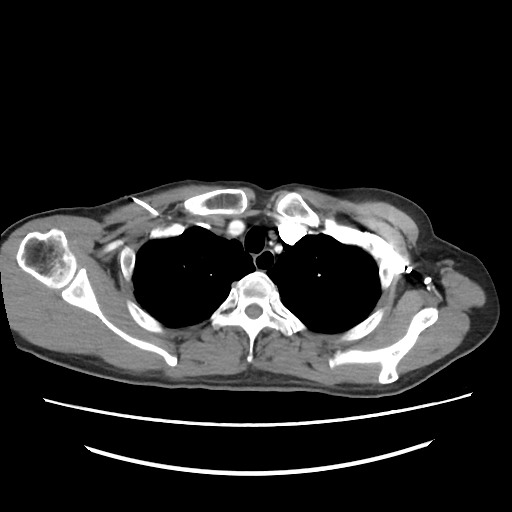

Abdominal CT reaching into the chest; this slice is in the chest · Axial slice 125/132 · soft-tissue window · scan has 14 labeled organs (counted over the whole 3D scan, not this slice; an organ is boxed only where this slice passes through it)
At this level of the chest this dataset labels only the esophagus and the aorta, and each is boxed only where it is labeled; the heart and lungs are never labeled. Coordinates as <box>x1,y1,x2,y2</box> in pixels. Labeled organs on this slice: esophagus at <box>253,250,276,272</box>.